CT, abdomen/pelvis — axial view — 768x768 px
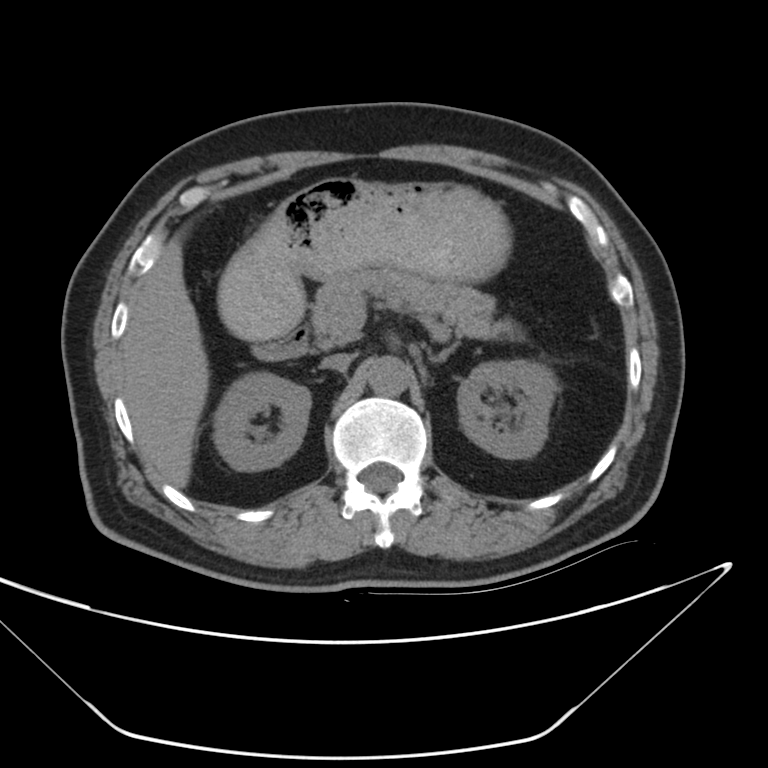

<organs><organ name="aorta" x1="366" y1="356" x2="408" y2="395"/><organ name="right kidney" x1="214" y1="371" x2="310" y2="470"/><organ name="duodenum" x1="253" y1="326" x2="308" y2="360"/><organ name="left adrenal gland" x1="429" y1="340" x2="458" y2="361"/><organ name="inferior vena cava" x1="323" y1="356" x2="350" y2="370"/><organ name="stomach" x1="221" y1="179" x2="510" y2="339"/><organ name="pancreas" x1="311" y1="270" x2="516" y2="350"/><organ name="left kidney" x1="458" y1="359" x2="554" y2="460"/><organ name="liver" x1="117" y1="224" x2="210" y2="487"/></organs>